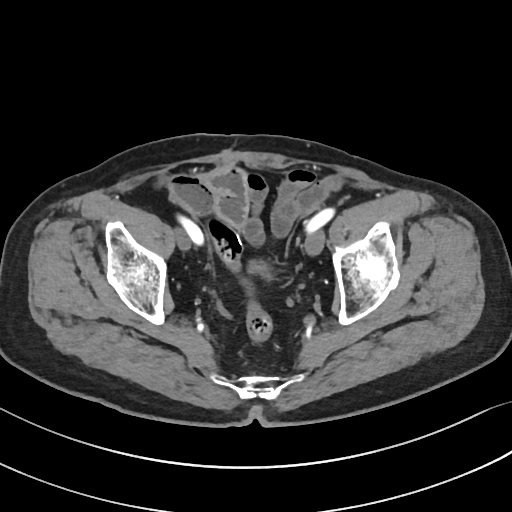

Computed tomography, abdomen. axial view. soft-tissue window (W 400 / L 40). SOMATOM Force scanner. 15 organs annotated in this scan (that count is for the whole scan; organs this slice misses have no box)
Boxes: x1:y1:x2:y2 in pixels.
Organ bounding boxes:
- bladder: 246:259:273:280